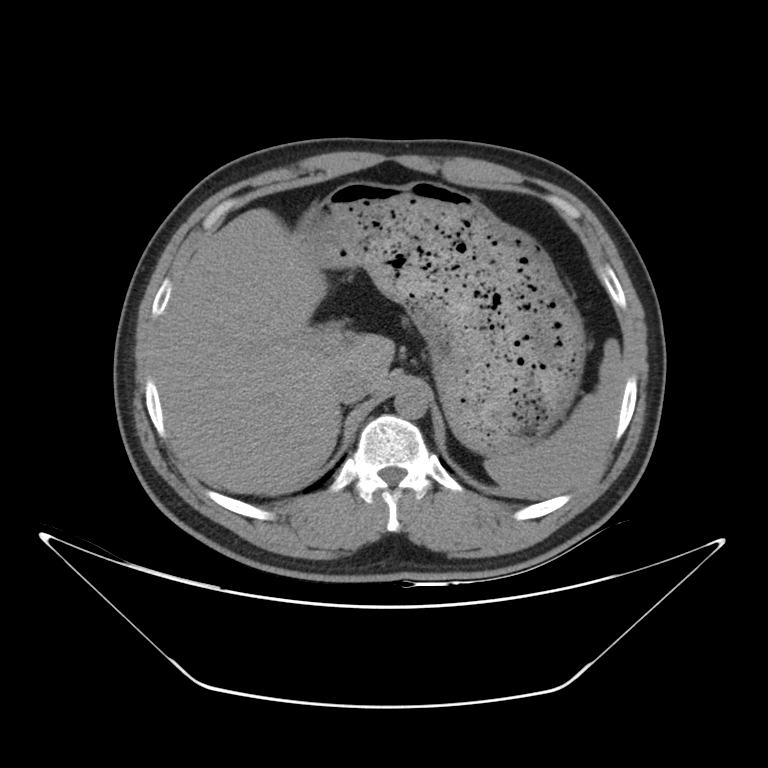

Abdominal CT — axial view — 768x768 px — 15 organs annotated in this scan (a whole-scan count: organs this slice does not pass through have no box)
{"organs":{"spleen":[484,338,623,497],"liver":[153,208,394,492],"stomach":[296,181,586,454],"aorta":[394,385,429,418],"inferior vena cava":[332,369,369,403]}}